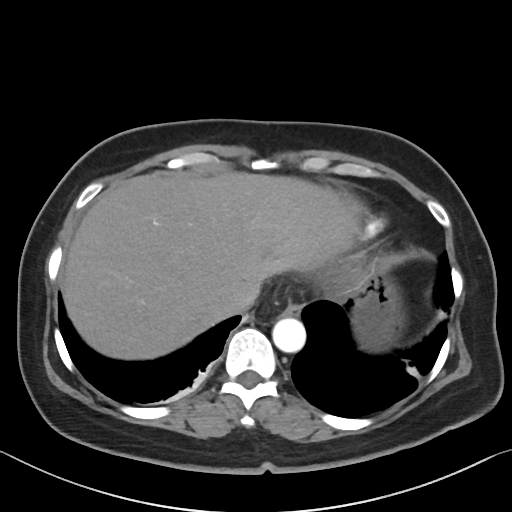

CT abdomen. axial view
Boxes: x1:y1:x2:y2 in pixels. The annotated organs in this slice are: esophagus at 282:304:302:316, liver at 62:171:357:359, stomach at 354:272:394:346, aorta at 272:317:305:352, inferior vena cava at 218:285:259:315.